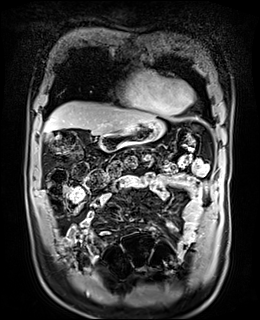

Abdominal MRI · coronal view · 1st–99th percentile window · 260x320 px · Prisma scanner · scan has 13 labeled organs (a whole-scan count: organs this slice does not pass through have no box)
<organs><organ name="gall bladder" x1="47" y1="133" x2="51" y2="139"/><organ name="liver" x1="44" y1="101" x2="155" y2="135"/><organ name="stomach" x1="98" y1="119" x2="165" y2="151"/><organ name="duodenum" x1="99" y1="145" x2="105" y2="148"/></organs>